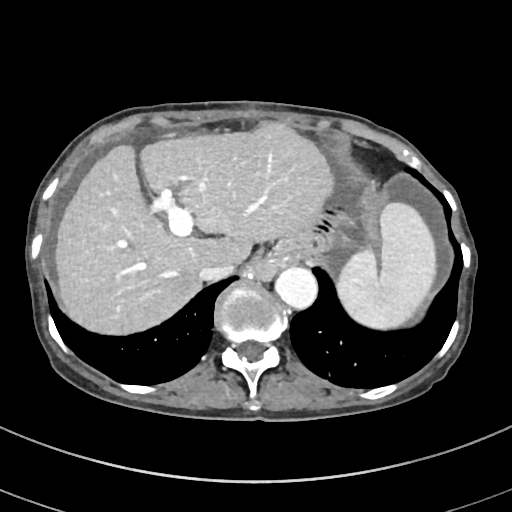 Computed tomography, abdomen; axial plane, index 158
Boxes: x1 y1 x2 y2 (pixel coords, space-separated).
spleen: 338 204 436 329
liver: 55 123 333 334
aorta: 275 267 318 310
inferior vena cava: 199 262 234 281